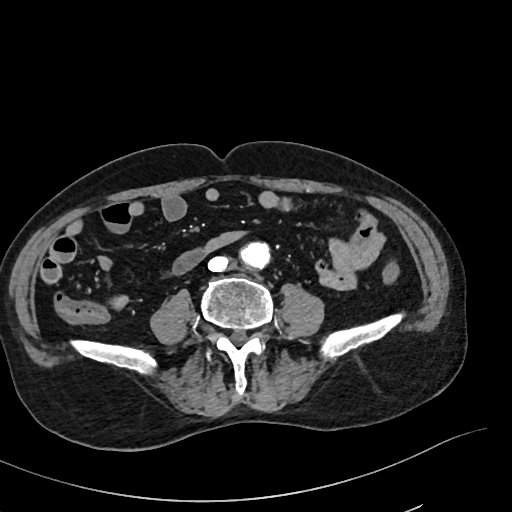 CT, abdomen/pelvis — Axial slice 103/235 — abdomen soft-tissue window — 512x512 px — scan has 15 labeled organs (a whole-scan count: organs this slice does not pass through have no box)
One row per box, in pixels: columns x1 and y1 give the top-left corner, x2 and y2 the bottom-right.
| organ | x1 | y1 | x2 | y2 |
|---|---|---|---|---|
| aorta | 241 | 241 | 270 | 269 |
| inferior vena cava | 208 | 257 | 228 | 270 |